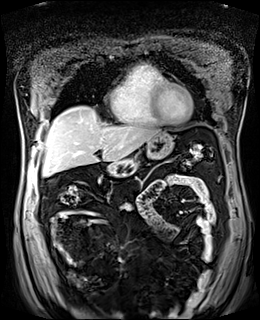
Magnetic resonance imaging, abdomen; Coronal slice 108/144; 13 organs annotated in this scan (that count is for the whole scan; organs this slice misses have no box)
<organs><organ name="liver" x1="43" y1="106" x2="161" y2="176"/><organ name="stomach" x1="106" y1="132" x2="173" y2="176"/></organs>